Computed tomography, abdomen · Axial slice 25/219 · abdomen soft-tissue window · scan has 15 labeled organs (counted over the whole 3D scan, not this slice; an organ is boxed only where this slice passes through it)
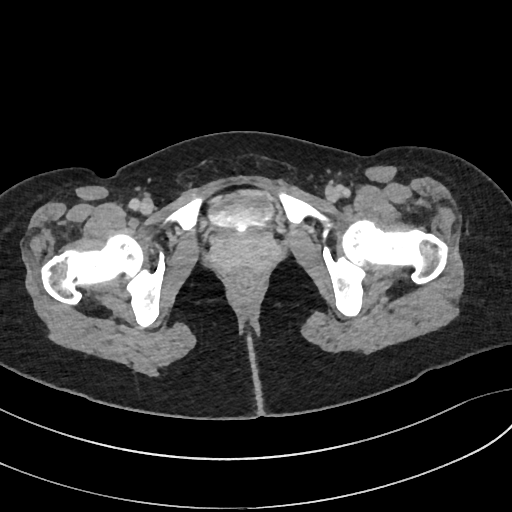

Bounding boxes as [x1, y1, x2, y2] in pixel coordinates.
Organ bounding boxes:
- bladder: [209, 193, 271, 228]